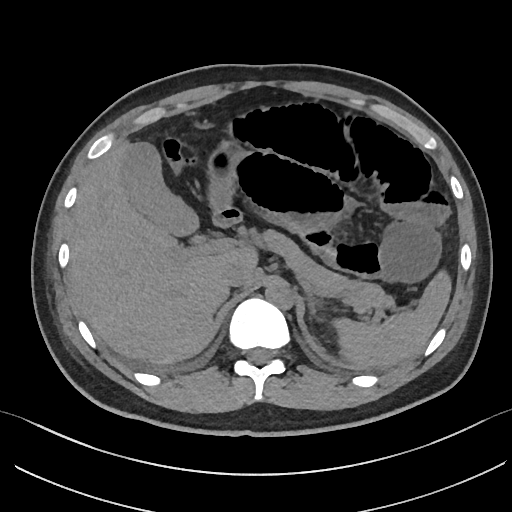 Abdominal CT. axial view. soft-tissue window. 512x512 px
<organs><organ name="spleen" x1="333" y1="270" x2="451" y2="367"/><organ name="gall bladder" x1="122" y1="142" x2="198" y2="236"/><organ name="liver" x1="69" y1="141" x2="257" y2="364"/><organ name="stomach" x1="208" y1="142" x2="245" y2="206"/><organ name="aorta" x1="265" y1="285" x2="293" y2="309"/><organ name="inferior vena cava" x1="222" y1="263" x2="247" y2="287"/><organ name="pancreas" x1="258" y1="230" x2="392" y2="311"/><organ name="left adrenal gland" x1="308" y1="295" x2="317" y2="315"/><organ name="duodenum" x1="212" y1="204" x2="242" y2="227"/></organs>